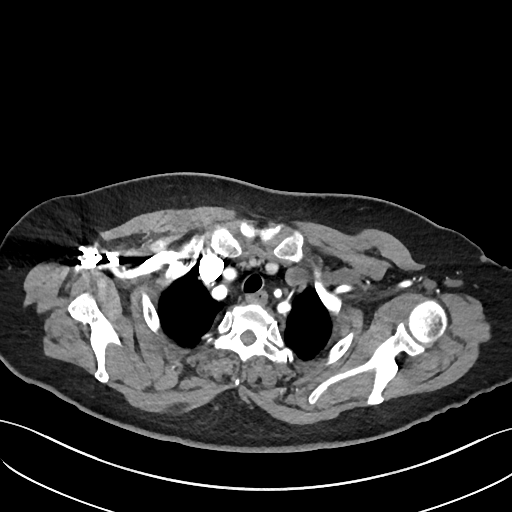 Chest-level CT slice, above the liver and spleen — Axial slice 263/276 — soft-tissue window (W 400 / L 40)
At this level of the chest this dataset labels only the esophagus and the aorta, and each is boxed only where it is labeled; the heart and lungs are never labeled.
Box edges are left/top/right/bottom in pixels.
esophagus: left=246, top=292, right=267, bottom=305